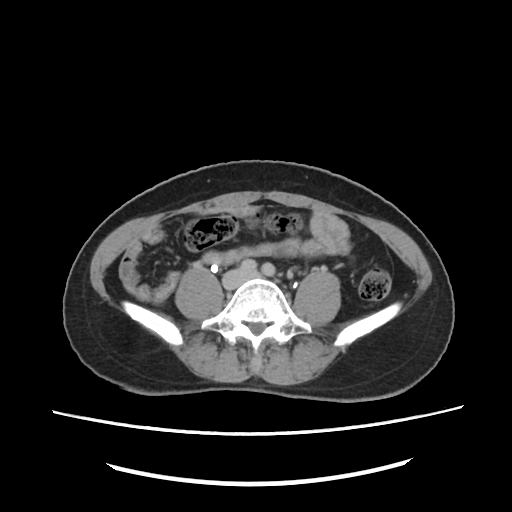
CT abdomen — axial plane, index 37
<organs><organ name="inferior vena cava" x1="223" y1="269" x2="247" y2="289"/></organs>